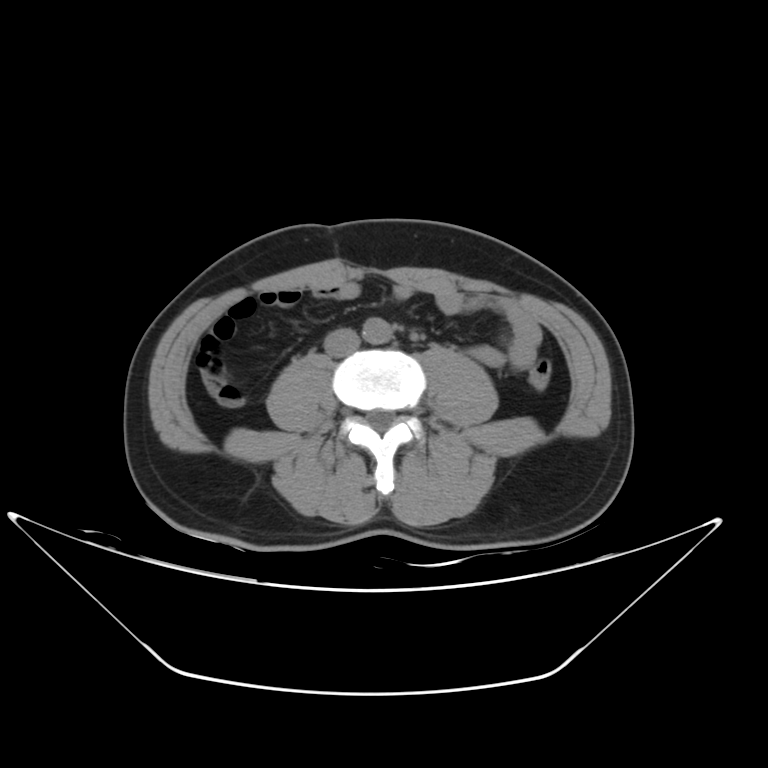
Computed tomography, abdomen; axial view; Brilliance16 scanner; scan has 15 labeled organs (that count is for the whole scan; organs this slice misses have no box)
Boxes: x1:y1:x2:y2 in pixels.
Organ bounding boxes:
- aorta: 363:316:388:344
- inferior vena cava: 326:329:360:357